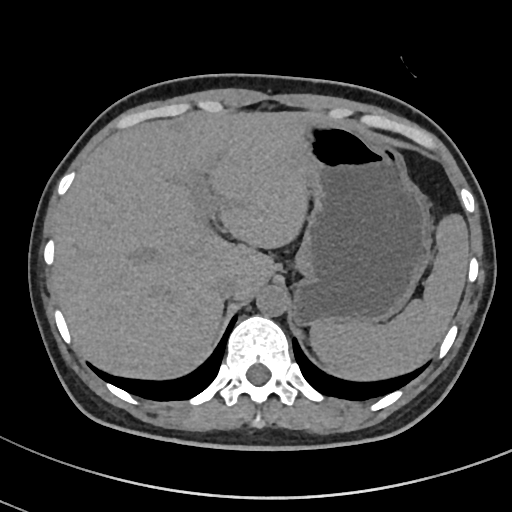 CT abdomen; axial view; soft-tissue window; 15 organs annotated in this scan (counted over the whole 3D scan, not this slice; an organ is boxed only where this slice passes through it)
Each box given as x1,y1,x2,y2. The annotated organs in this slice are: spleen at x1=310, y1=214, x2=469, y2=380, liver at x1=53, y1=111, x2=317, y2=379, stomach at x1=295, y1=119, x2=431, y2=324, aorta at x1=256, y1=285, x2=288, y2=316, inferior vena cava at x1=213, y1=274, x2=242, y2=299.